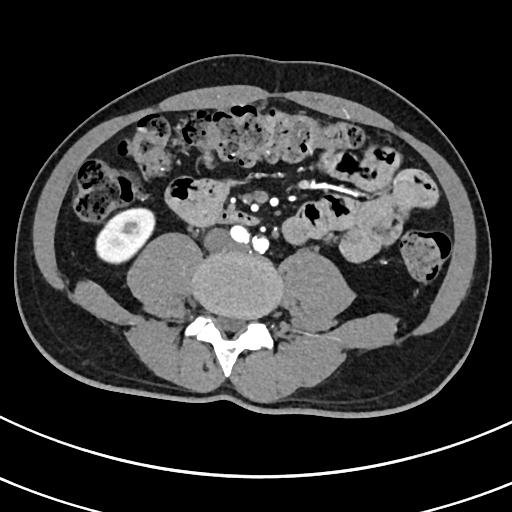

Computed tomography, abdomen · axial view · 512x512 px
Boxes: x1:y1:x2:y2 in pixels.
inferior vena cava: 205:228:229:248
duodenum: 220:209:259:223
right kidney: 96:207:155:263